CT, abdomen/pelvis · axial plane, index 157 · 512x512 px
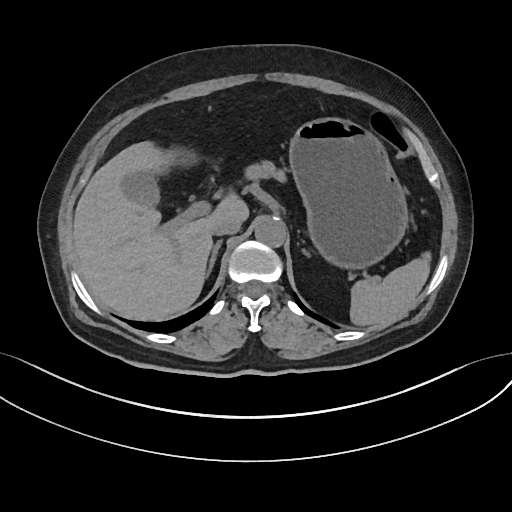 <organs><organ name="spleen" x1="349" y1="253" x2="430" y2="326"/><organ name="gall bladder" x1="124" y1="174" x2="158" y2="205"/><organ name="liver" x1="73" y1="141" x2="249" y2="320"/><organ name="stomach" x1="289" y1="118" x2="409" y2="267"/><organ name="aorta" x1="254" y1="218" x2="285" y2="247"/><organ name="inferior vena cava" x1="211" y1="218" x2="240" y2="236"/><organ name="pancreas" x1="245" y1="160" x2="286" y2="180"/><organ name="right adrenal gland" x1="208" y1="239" x2="221" y2="273"/><organ name="left adrenal gland" x1="303" y1="252" x2="307" y2="256"/></organs>